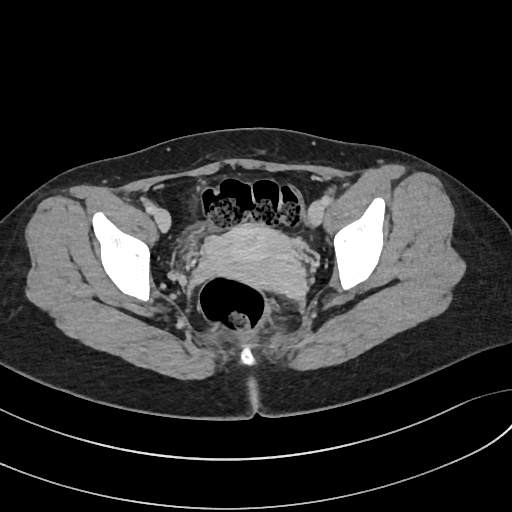
CT, abdomen/pelvis; axial view; soft-tissue window; 512x512 px
{"organs":{"prostate/uterus":[204,224,302,290]}}